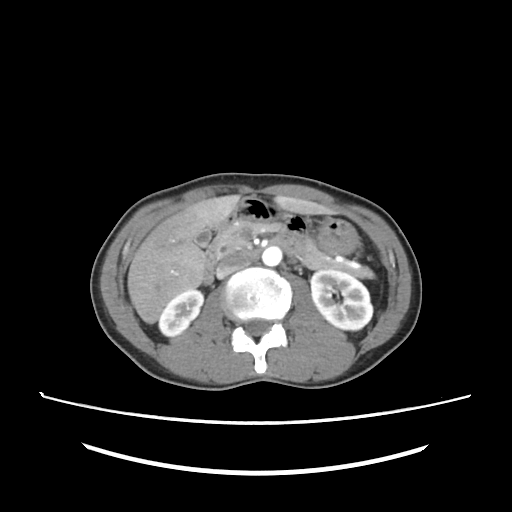
Computed tomography, abdomen · axial view · acquired on Aquilion ONE
Box edges are left/top/right/bottom in pixels.
right kidney: left=159, top=289, right=203, bottom=336
left kidney: left=311, top=269, right=372, bottom=330
gall bladder: left=194, top=228, right=211, bottom=247
liver: left=128, top=195, right=331, bottom=323
stomach: left=231, top=198, right=357, bottom=253
aorta: left=262, top=247, right=281, bottom=266
inferior vena cava: left=216, top=253, right=249, bottom=278
pancreas: left=218, top=222, right=374, bottom=277
duodenum: left=203, top=217, right=298, bottom=285